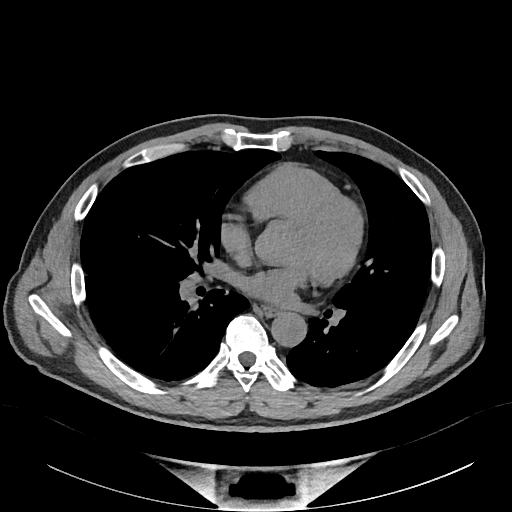
Lower-chest slice from an abdominal CT, just above the liver and spleen. axial plane, index 264
The heart and lungs are never labeled in this dataset, so they have no box on this slice.
Coordinates as <box>x1,y1,x2,y2</box> in pixels.
esophagus: <box>264,308,276,316</box>
aorta: <box>271,313,307,346</box>